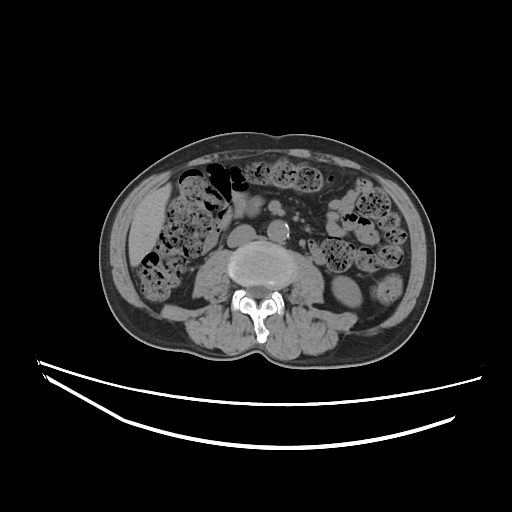
Abdominal CT · axial view
Boxes: x1 y1 x2 y2 (pixel coords, space-separated).
left kidney: 332 276 361 306
aorta: 267 220 289 242
inferior vena cava: 227 224 255 247
liver: 128 183 171 266